Abdominal CT — axial plane, index 64
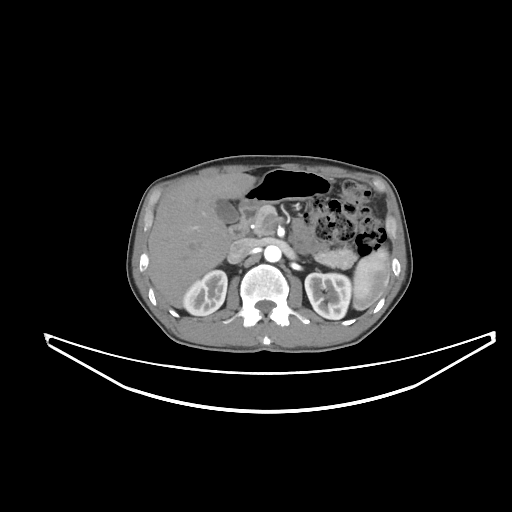

{"organs":{"duodenum":[228,206,256,239],"spleen":[352,248,390,310],"pancreas":[252,205,357,269],"inferior vena cava":[227,238,254,263],"liver":[148,172,256,307],"gall bladder":[215,199,239,223],"right kidney":[183,270,227,315],"stomach":[239,169,332,208],"left kidney":[305,273,351,319],"aorta":[264,245,281,262]}}